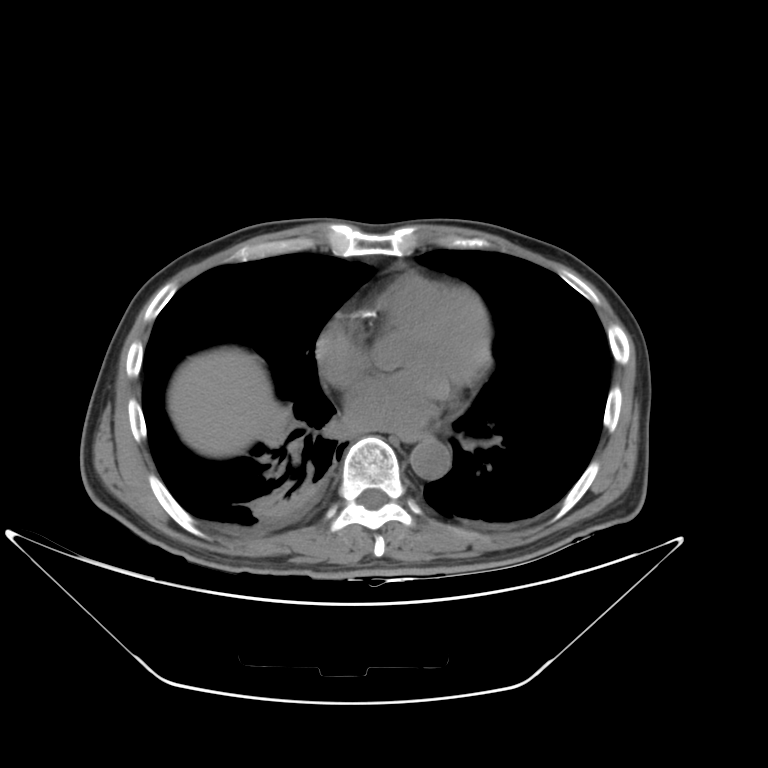 CT, abdomen/pelvis · Axial slice 97/104
Boxes are (x1, y1, x2, y2) in pixels. Labeled organs on this slice: esophagus at (399, 431, 427, 442), liver at (168, 349, 279, 457), aorta at (409, 437, 450, 478).